CT abdomen; axial plane, index 164; soft-tissue window
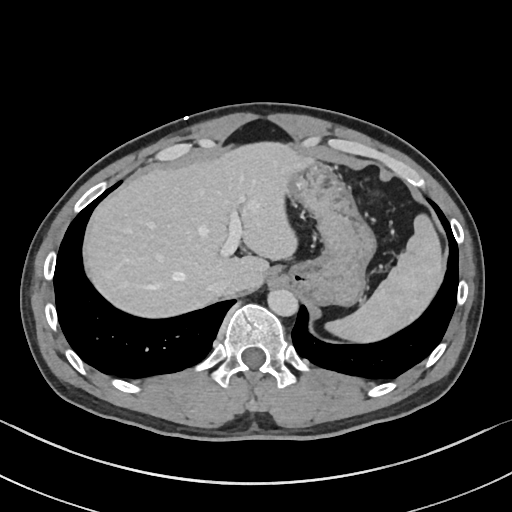

Coordinates as <box>x1,y1,x2,y2</box> in pixels.
stomach: <box>288,159,376,305</box>
inferior vena cava: <box>209,276,233,295</box>
aorta: <box>267,289,298,316</box>
spleen: <box>325,214,442,342</box>
liver: <box>83,142,308,317</box>